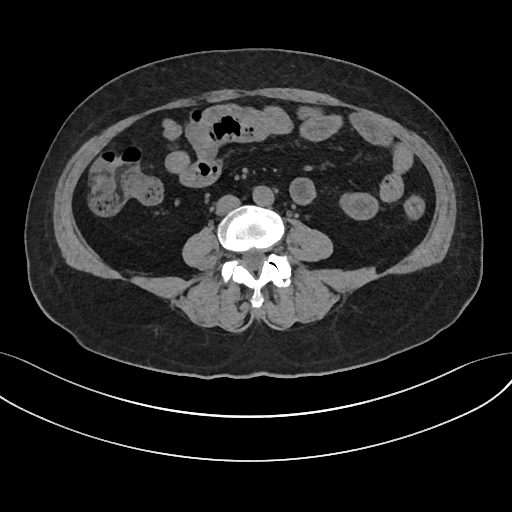 CT, abdomen/pelvis; Axial slice 96/207
Boxes: x1:y1:x2:y2 in pixels.
Organ bounding boxes:
- aorta: 252:185:273:206
- inferior vena cava: 216:195:240:214